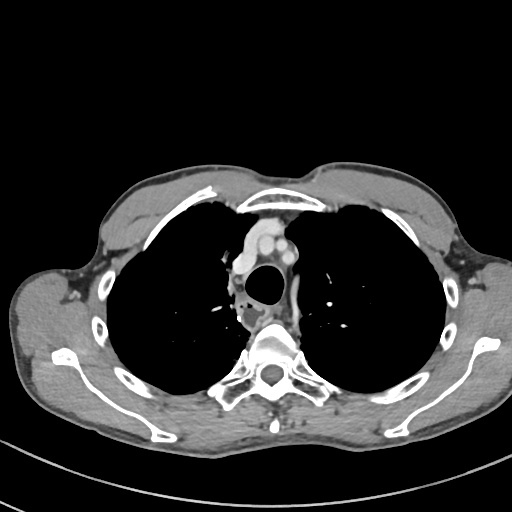
Chest-level slice from an abdominal CT that extends up into the chest; axial view; soft-tissue window (W 400 / L 40); 512x512 px
At this level of the chest this dataset labels only the esophagus and the aorta, and each is boxed only where it is labeled; the heart and lungs are never labeled.
Bounding boxes in pixels, one row per box: x1, y1 is the top-left corner and x2, y2 the bottom-right.
| organ | x1 | y1 | x2 | y2 |
|---|---|---|---|---|
| esophagus | 236 | 295 | 272 | 328 |